CT, abdomen/pelvis. axial plane, index 77. soft-tissue window. 512x512 px. scan has 15 labeled organs (that count is for the whole scan; organs this slice misses have no box)
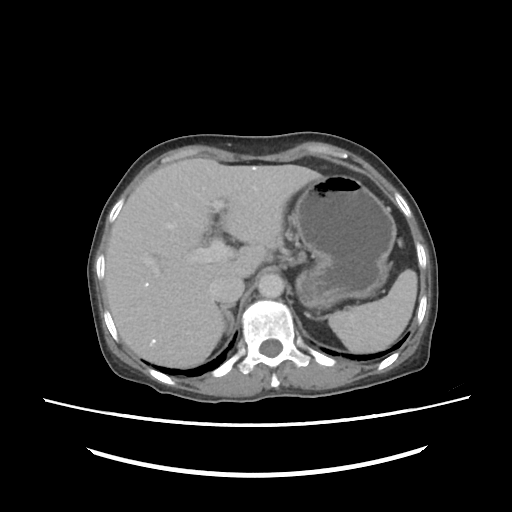
{"organs":{"spleen":[328,269,417,350],"liver":[105,158,323,366],"stomach":[291,173,396,310],"aorta":[257,273,284,299],"inferior vena cava":[211,275,244,304],"right adrenal gland":[219,304,234,335]}}